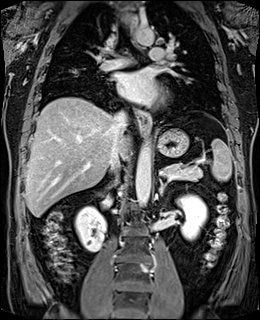
Abdominal MR — Coronal slice 59/144 — percentile-normalized — 260x320 px
<organs><organ name="spleen" x1="212" y1="138" x2="231" y2="181"/><organ name="right kidney" x1="75" y1="206" x2="105" y2="252"/><organ name="left kidney" x1="177" y1="194" x2="207" y2="240"/><organ name="esophagus" x1="135" y1="108" x2="150" y2="131"/><organ name="liver" x1="25" y1="97" x2="129" y2="216"/><organ name="stomach" x1="157" y1="128" x2="189" y2="157"/><organ name="aorta" x1="135" y1="141" x2="151" y2="205"/><organ name="aorta" x1="135" y1="24" x2="155" y2="45"/><organ name="inferior vena cava" x1="110" y1="111" x2="127" y2="176"/><organ name="pancreas" x1="162" y1="163" x2="202" y2="181"/><organ name="left adrenal gland" x1="159" y1="178" x2="167" y2="195"/></organs>